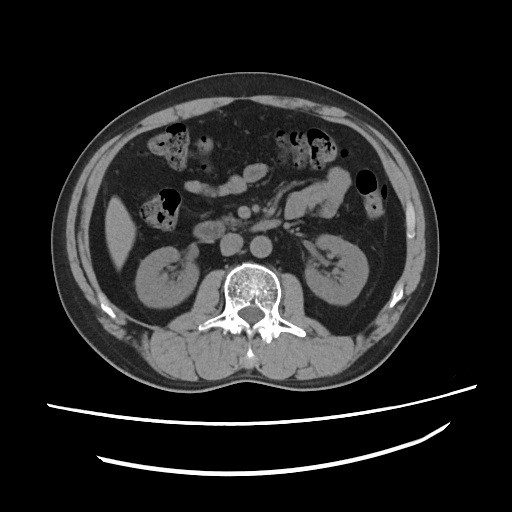
CT abdomen; Axial slice 60/92; 512x512 px
Bounding boxes in pixels, one row per box: x1, y1 is the top-left corner and x2, y2 the bottom-right.
| organ | x1 | y1 | x2 | y2 |
|---|---|---|---|---|
| aorta | 251 | 236 | 271 | 256 |
| liver | 105 | 196 | 135 | 268 |
| pancreas | 220 | 215 | 238 | 228 |
| duodenum | 193 | 220 | 278 | 238 |
| inferior vena cava | 220 | 232 | 242 | 254 |
| left kidney | 304 | 234 | 367 | 303 |
| right kidney | 134 | 246 | 198 | 307 |